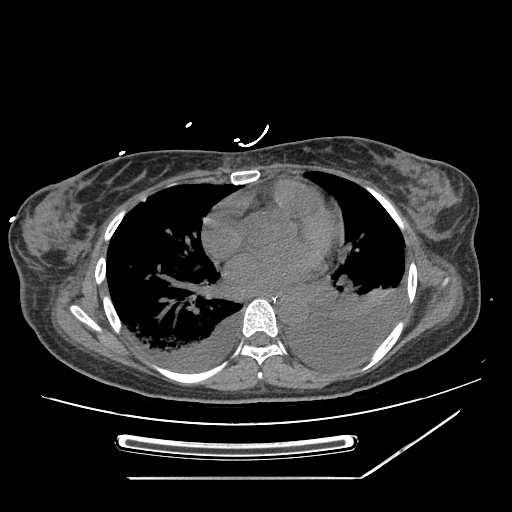
CT of the abdomen reaching into the lower chest, slice just above the liver and spleen. axial plane, index 187. acquired on SOMATOM Force
Of the structures in the chest, this dataset labels only the esophagus, the aorta and the inferior vena cava; the heart and lungs have no label.
<organs><organ name="esophagus" x1="264" y1="292" x2="295" y2="301"/><organ name="aorta" x1="278" y1="298" x2="307" y2="324"/></organs>